Computed tomography, abdomen; axial view; SOMATOM Force scanner
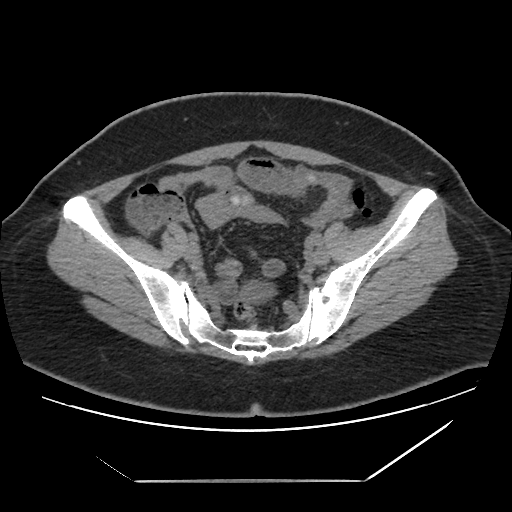
Bounding boxes in pixels, one row per box: x1, y1 is the top-left corner and x2, y2 the bottom-right.
| organ | x1 | y1 | x2 | y2 |
|---|---|---|---|---|
| prostate/uterus | 245 | 282 | 268 | 298 |